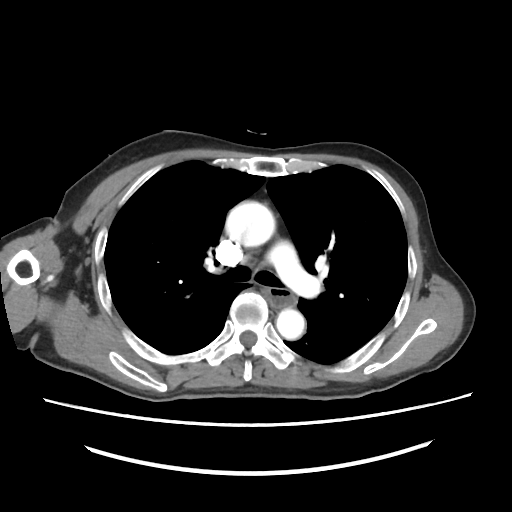
CT of the abdomen extending into the chest, slice through the chest · Axial slice 112/132 · acquired on Aquilion ONE · scan has 14 labeled organs (that count is for the whole scan; organs this slice misses have no box)
At this level of the chest no structure but the esophagus and the aorta has a label in this dataset, and those two are boxed only where they are labeled.
One row per box, in pixels: columns x1 and y1 give the top-left corner, x2 and y2 the bottom-right.
| organ | x1 | y1 | x2 | y2 |
|---|---|---|---|---|
| esophagus | 263 | 289 | 295 | 306 |
| aorta | 224 | 200 | 273 | 246 |
| aorta | 275 | 307 | 307 | 340 |